CT, abdomen/pelvis; Axial slice 18/97
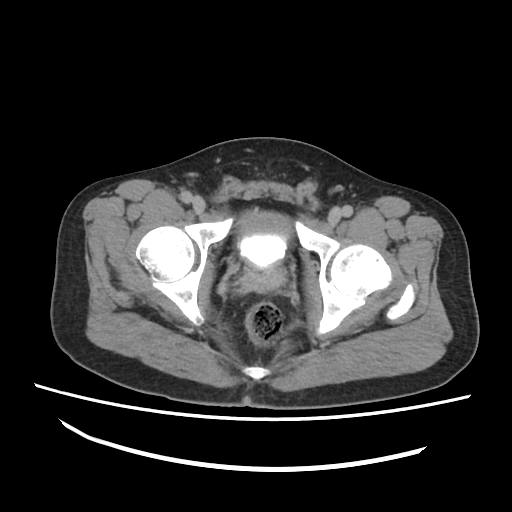
Each box given as x1,y1,x2,y2. The annotated organs in this slice are: bladder at x1=237, y1=212, x2=288, y2=267, prostate/uterus at x1=244, y1=268, x2=280, y2=287.